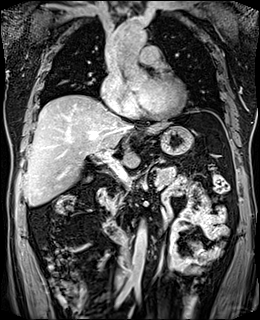 Abdominal MR. coronal acquisition. 260x320 px. acquired on Prisma
Boxes: x1:y1:x2:y2 in pixels.
gall bladder: 83:174:92:182
liver: 24:95:170:205
stomach: 159:126:193:154
aorta: 129:223:147:282
aorta: 118:25:146:48
inferior vena cava: 116:243:128:282
inferior vena cava: 123:106:134:117
pancreas: 103:166:176:213
duodenum: 97:188:124:243